Computed tomography, abdomen — Axial slice 20/132 — 512x512 px
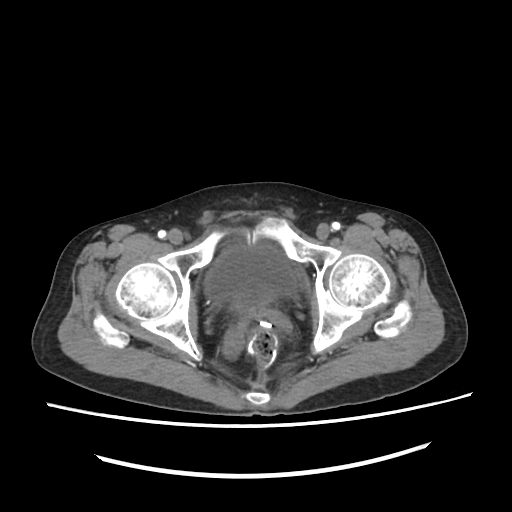
<organs><organ name="bladder" x1="203" y1="246" x2="296" y2="312"/><organ name="prostate/uterus" x1="238" y1="308" x2="265" y2="312"/></organs>